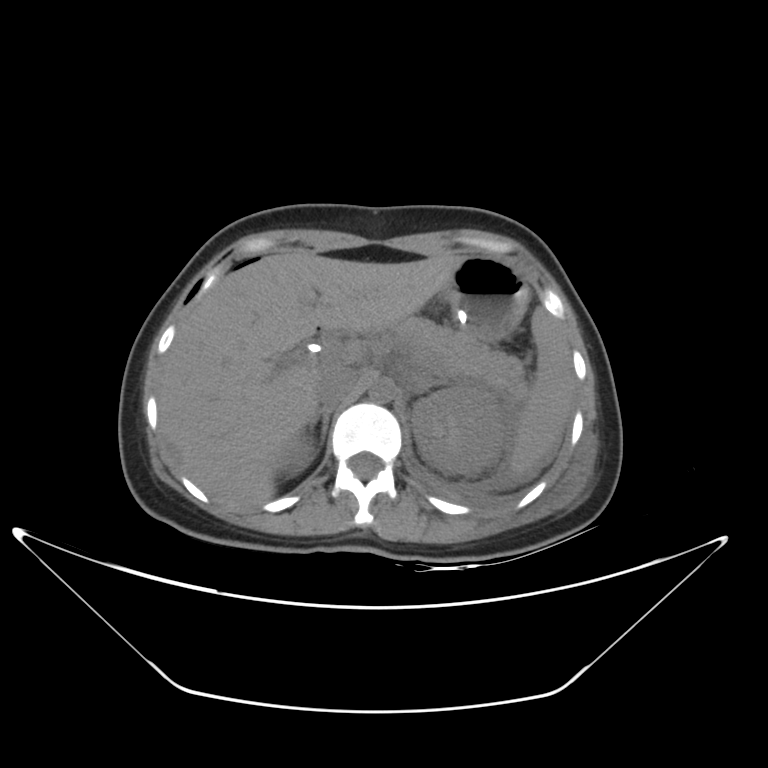
Abdominal CT · Axial slice 71/95 · Brilliance16 scanner
Box edges are left/top/right/bottom in pixels. The annotated organs in this slice are: right adrenal gland at left=306, top=401, right=338, bottom=441, left kidney at left=411, top=385, right=508, bottom=475, aorta at left=369, top=378, right=396, bottom=402, spleen at left=511, top=307, right=573, bottom=475, right kidney at left=276, top=434, right=314, bottom=477, stomach at left=442, top=256, right=528, bottom=339, liver at left=158, top=251, right=461, bottom=511, pancreas at left=393, top=318, right=523, bottom=394, left adrenal gland at left=413, top=375, right=451, bottom=392, inferior vena cava at left=314, top=369, right=356, bottom=405.